Abdominal CT reaching into the chest; this slice is in the chest. axial view. 512x512 px
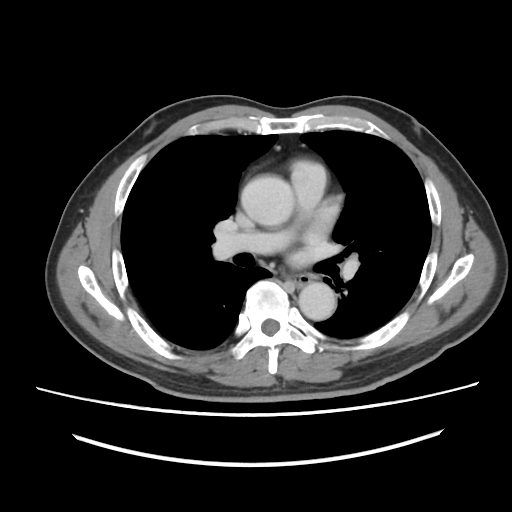
At this level of the chest no structure but the esophagus and the aorta has a label in this dataset, and those two are boxed only where they are labeled.
Bounding boxes as [x1, y1, x2, y2] in pixel coordinates.
Organ bounding boxes:
- esophagus: [288, 274, 311, 287]
- aorta: [241, 176, 294, 225]
- aorta: [298, 282, 335, 320]